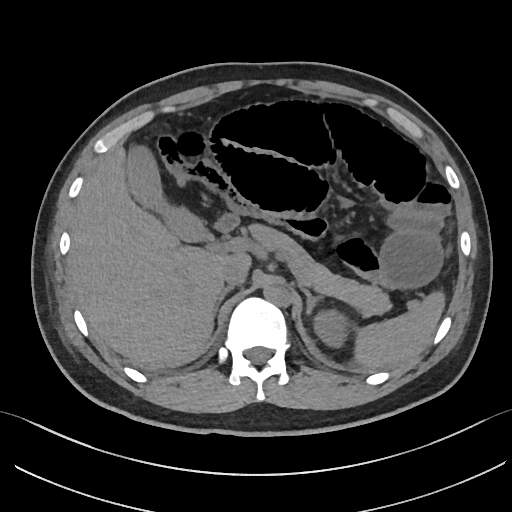

CT, abdomen/pelvis — axial view — soft-tissue window
{"organs":{"spleen":[357,292,445,367],"left kidney":[311,310,347,349],"gall bladder":[127,148,211,242],"liver":[67,146,248,366],"aorta":[263,282,291,306],"inferior vena cava":[220,257,247,287],"pancreas":[246,222,391,316],"right adrenal gland":[212,286,234,322],"left adrenal gland":[301,286,319,313],"duodenum":[215,215,238,234]}}